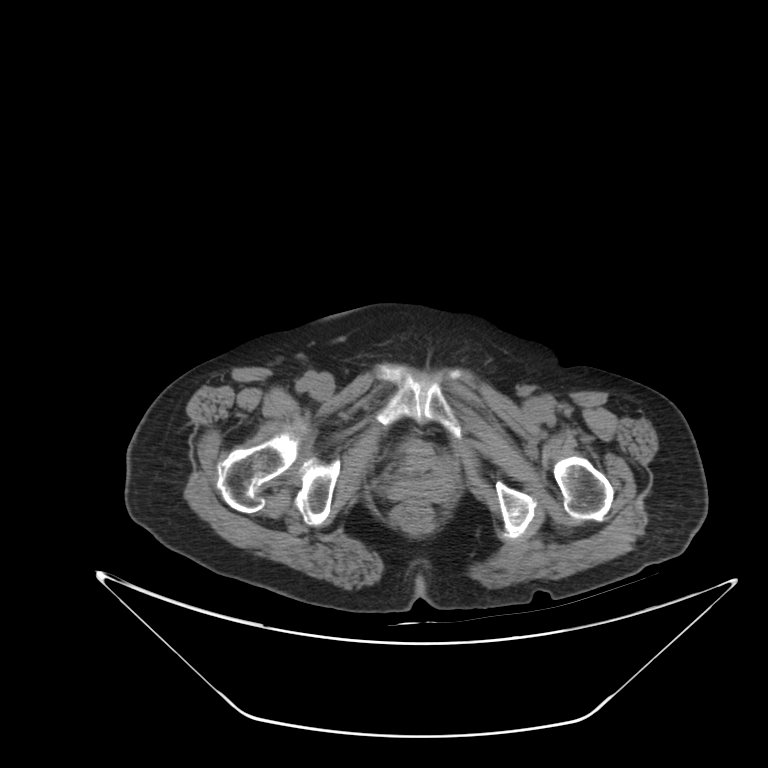
Abdominal CT — axial view — 768x768 px — 78-year-old female patient — Brilliance16 scanner
One row per box, in pixels: columns x1 and y1 give the top-left corner, x2 and y2 the bottom-right.
| organ | x1 | y1 | x2 | y2 |
|---|---|---|---|---|
| bladder | 401 | 442 | 433 | 469 |